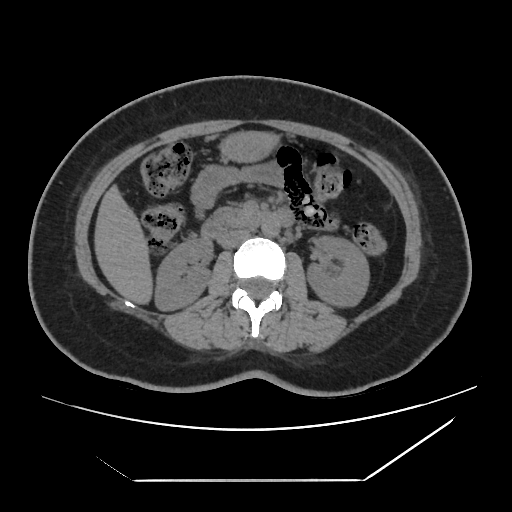

Abdominal CT · axial view · SOMATOM Force scanner · 15 organs annotated in this scan (counted over the whole 3D scan, not this slice; an organ is boxed only where this slice passes through it)
{"organs":{"right kidney":[155,239,212,311],"left kidney":[307,237,369,307],"liver":[94,183,153,305],"stomach":[223,131,280,163],"aorta":[261,220,279,237],"inferior vena cava":[219,229,250,249],"pancreas":[215,204,254,227],"duodenum":[201,207,295,240]}}